Chest-level CT slice, above the liver and spleen · axial plane, index 236 · soft-tissue window · 512x512 px
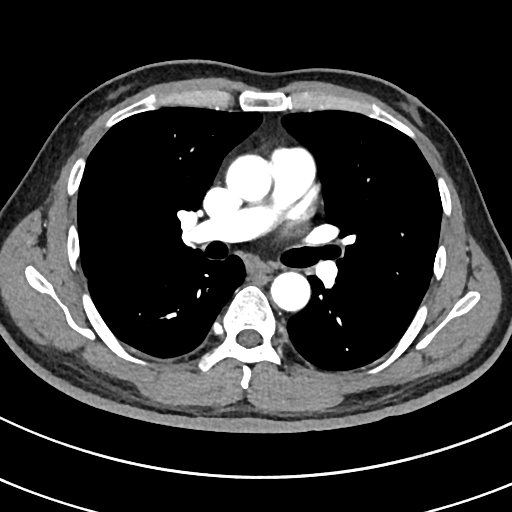
At this level of the chest this dataset labels only the esophagus and the aorta, and each is boxed only where it is labeled; the heart and lungs are never labeled.
<organs><organ name="esophagus" x1="250" y1="261" x2="272" y2="273"/><organ name="aorta" x1="226" y1="155" x2="272" y2="201"/><organ name="aorta" x1="271" y1="272" x2="310" y2="311"/></organs>